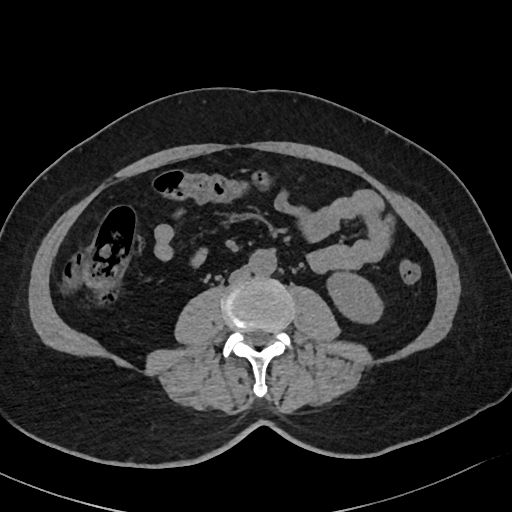

Abdominal CT · axial plane, index 101 · 512x512 px
Coordinates as <box>x1,y1,x2,y2</box> in pixels.
Organ bounding boxes:
- left kidney: <box>328,273,382,324</box>
- inferior vena cava: <box>228,266,250,281</box>
- aorta: <box>249,249,277,276</box>